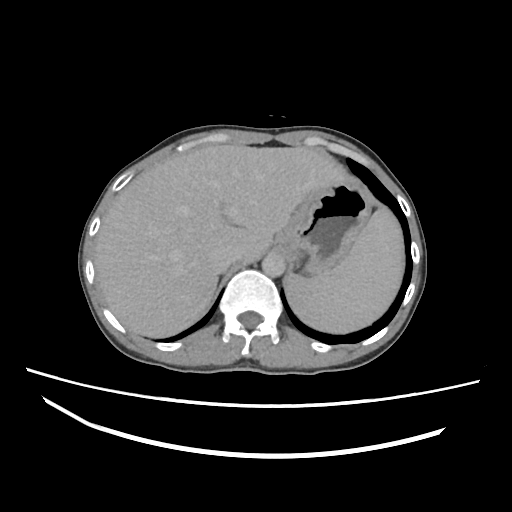

CT, abdomen/pelvis · Axial slice 86/101 · abdomen soft-tissue window
{"organs":{"spleen":[284,206,406,333],"liver":[94,146,345,337],"stomach":[269,181,373,276],"aorta":[262,252,286,276],"inferior vena cava":[209,248,234,272]}}